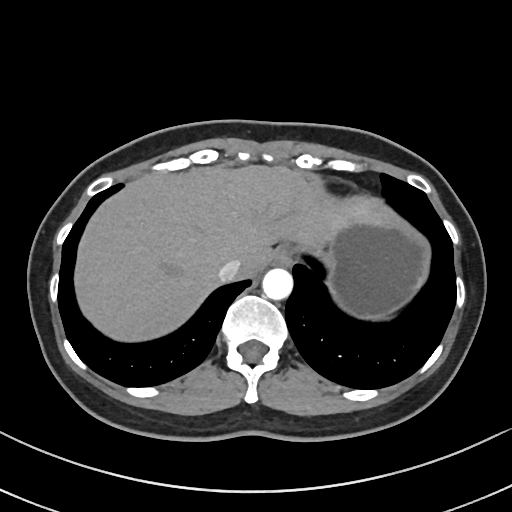 CT, abdomen/pelvis — axial plane, index 203 — abdomen soft-tissue window — scan has 15 labeled organs (counted over the whole 3D scan, not this slice; an organ is boxed only where this slice passes through it)
Boxes are (x1, y1, x2, y2) in pixels.
liver: (74, 165, 390, 341)
inferior vena cava: (218, 258, 242, 281)
esophagus: (272, 244, 292, 266)
stomach: (321, 215, 429, 316)
aorta: (262, 268, 292, 300)